CT, abdomen/pelvis — Axial slice 67/134 — 512x512 px — 46-year-old male patient
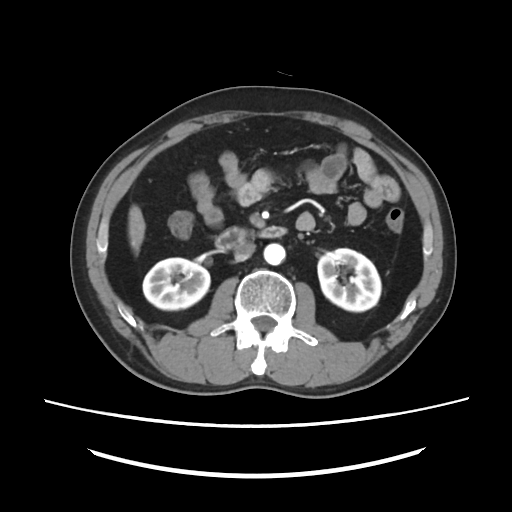

<organs><organ name="right kidney" x1="143" y1="257" x2="209" y2="309"/><organ name="left kidney" x1="318" y1="248" x2="380" y2="311"/><organ name="liver" x1="128" y1="205" x2="145" y2="254"/><organ name="aorta" x1="263" y1="243" x2="285" y2="265"/><organ name="inferior vena cava" x1="234" y1="242" x2="255" y2="261"/><organ name="duodenum" x1="215" y1="227" x2="286" y2="251"/></organs>